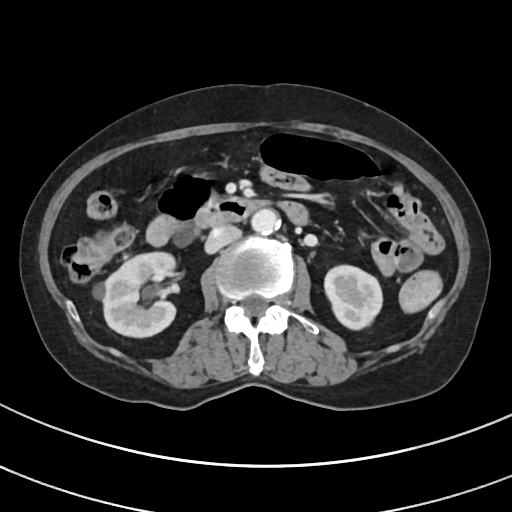 CT, abdomen/pelvis — axial view — 512x512 px — scan has 15 labeled organs (a whole-scan count: organs this slice does not pass through have no box)
Boxes: x1 y1 x2 y2 (pixel coords, space-separated). The annotated organs in this slice are: right kidney at 94 252 175 337, left kidney at 324 265 382 329, aorta at 251 208 279 234, inferior vena cava at 205 224 241 253, duodenum at 147 175 306 244.